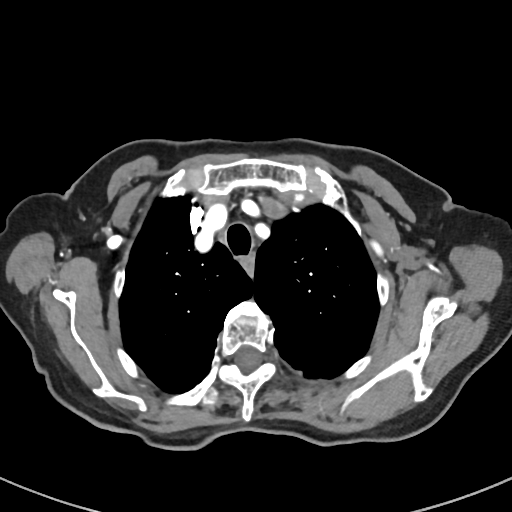 Chest-level slice from an abdominal CT that extends up into the chest — axial view — soft-tissue window (W 400 / L 40)
At this level of the chest no structure but the esophagus and the aorta has a label in this dataset, and those two are boxed only where they are labeled.
One row per box, in pixels: columns x1 and y1 give the top-left corner, x2 and y2 the bottom-right.
| organ | x1 | y1 | x2 | y2 |
|---|---|---|---|---|
| esophagus | 241 | 254 | 255 | 275 |